Abdominal CT — axial view — soft-tissue window — 512x512 px — 15 organs annotated in this scan (that count is for the whole scan; organs this slice misses have no box)
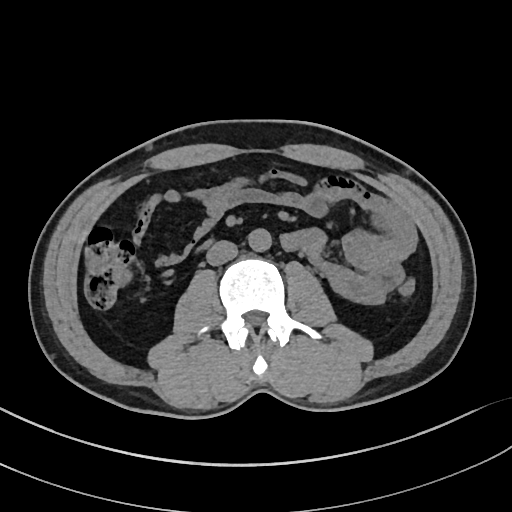

Organ boxes in pixel coordinates; each row gives the top-left (x1, y1) and bottom-right (x2, y2) corners.
| organ | x1 | y1 | x2 | y2 |
|---|---|---|---|---|
| aorta | 248 | 228 | 271 | 252 |
| inferior vena cava | 206 | 240 | 238 | 265 |